Abdominal CT reaching into the chest; this slice is in the chest; axial view; soft-tissue window (W 400 / L 40); 512x512 px
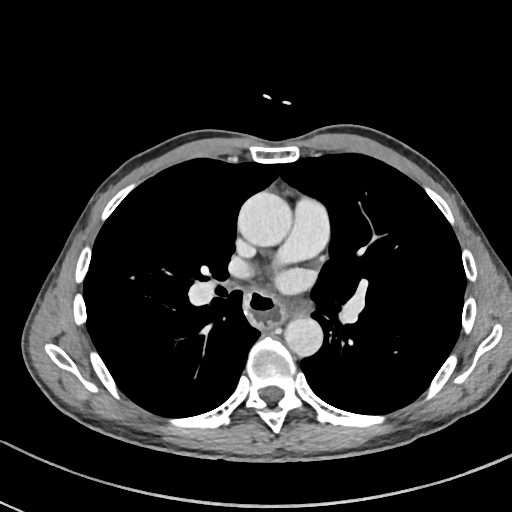
At this level of the chest this dataset labels only the esophagus and the aorta, and each is boxed only where it is labeled; the heart and lungs are never labeled. Each box given as x1,y1,x2,y2. Labeled organs on this slice: esophagus at x1=245, y1=288, x2=288, y2=330, aorta at x1=238, y1=191, x2=292, y2=246, aorta at x1=284, y1=317, x2=322, y2=357.